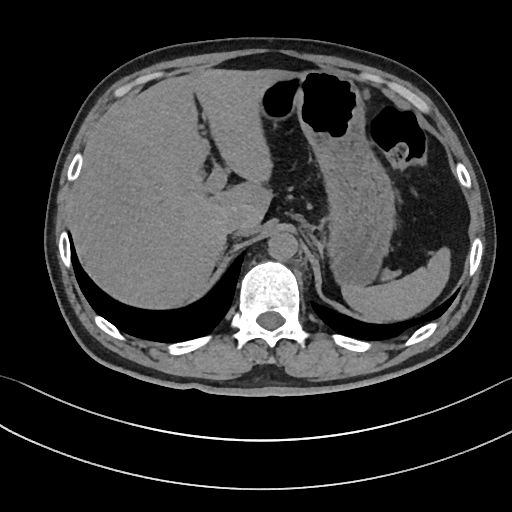
CT, abdomen/pelvis · Axial slice 185/231 · soft-tissue window (W 400 / L 40) · 512x512 px · scan has 15 labeled organs (counted over the whole 3D scan, not this slice; an organ is boxed only where this slice passes through it)
Each box given as x1,y1,x2,y2.
Organ bounding boxes:
- spleen: x1=342, y1=247, x2=450, y2=322
- inferior vena cava: x1=223, y1=210, x2=247, y2=235
- aorta: x1=268, y1=231, x2=297, y2=260
- stomach: x1=260, y1=70, x2=396, y2=286
- liver: x1=69, y1=69, x2=290, y2=308